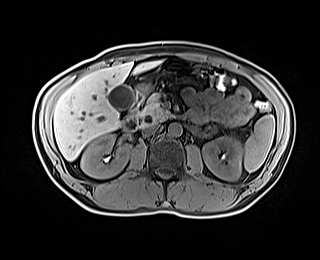
Abdominal MRI — Axial slice 37/72 — 320x260 px
Bounding boxes in pixels, one row per box: x1, y1 is the top-left corner and x2, y2 the bottom-right.
| organ | x1 | y1 | x2 | y2 |
|---|---|---|---|---|
| spleen | 244 | 115 | 274 | 171 |
| right kidney | 81 | 134 | 130 | 178 |
| left kidney | 202 | 136 | 242 | 180 |
| gall bladder | 107 | 85 | 134 | 110 |
| liver | 53 | 61 | 161 | 160 |
| stomach | 137 | 58 | 197 | 93 |
| aorta | 168 | 123 | 182 | 136 |
| inferior vena cava | 142 | 125 | 159 | 135 |
| pancreas | 139 | 94 | 173 | 125 |
| duodenum | 122 | 89 | 145 | 131 |